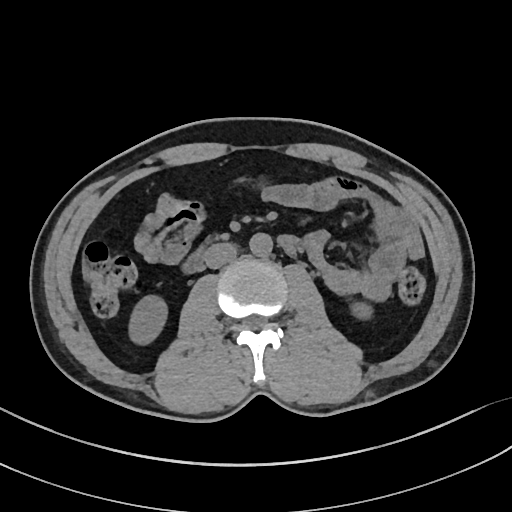

Computed tomography, abdomen. axial view. 512x512 px
Boxes: x1:y1:x2:y2 in pixels.
Organ bounding boxes:
- right kidney: 129:295:167:344
- left kidney: 351:302:372:319
- aorta: 249:233:272:256
- inferior vena cava: 204:243:237:269
- duodenum: 182:236:295:273